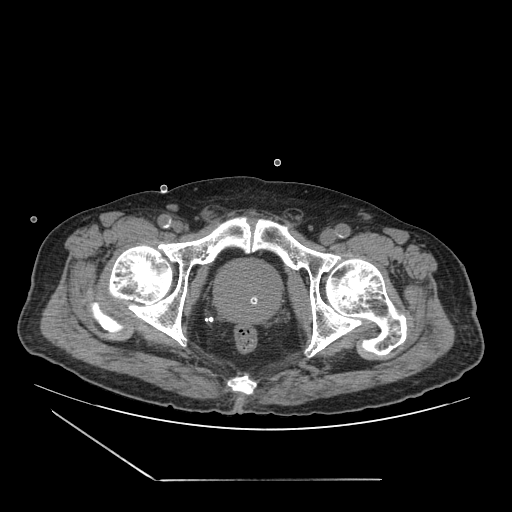 CT abdomen; Axial slice 23/187; abdomen soft-tissue window
{"organs":{"prostate/uterus":[214,259,281,323]}}